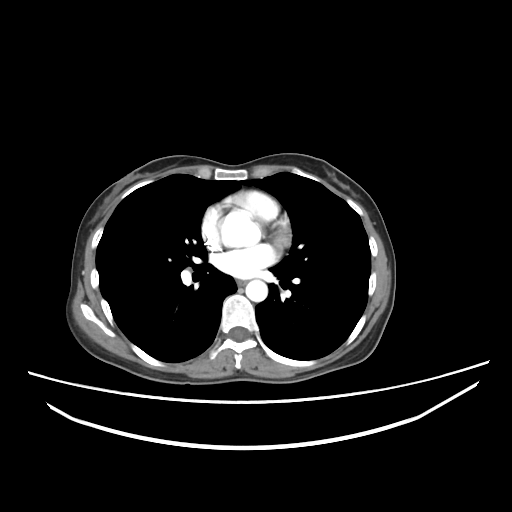
Abdominal CT reaching into the chest; this slice is in the chest. axial view. soft-tissue window. Aquilion ONE scanner
At this level of the chest this dataset labels only the esophagus and the aorta, and each is boxed only where it is labeled; the heart and lungs are never labeled.
Bounding boxes in pixels, one row per box: x1, y1 is the top-left corner and x2, y2 the bottom-right.
| organ | x1 | y1 | x2 | y2 |
|---|---|---|---|---|
| aorta | 221 | 210 | 261 | 248 |
| aorta | 245 | 279 | 267 | 301 |
| esophagus | 236 | 280 | 246 | 285 |